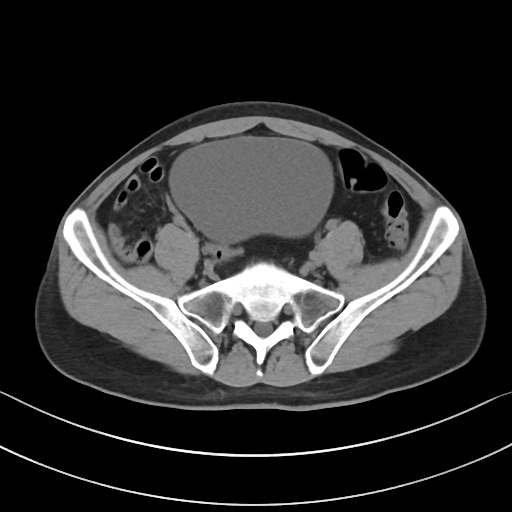 CT abdomen. axial view. abdomen soft-tissue window. 512x512 px. 15 organs annotated in this scan (that count is for the whole scan; organs this slice misses have no box)
Bounding boxes as [x1, y1, x2, y2] in pixel coordinates.
Organ bounding boxes:
- bladder: [171, 136, 332, 241]